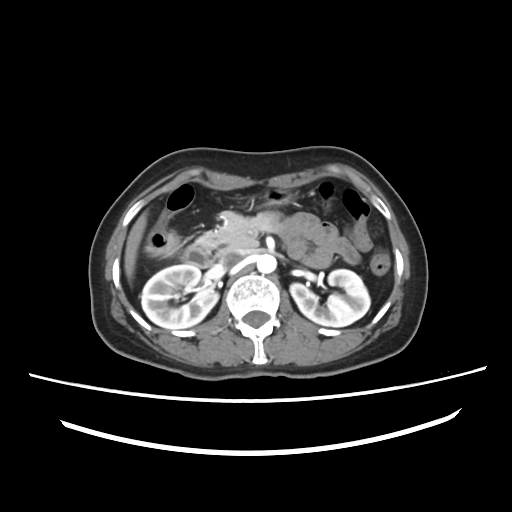

CT abdomen · axial view
{"organs":{"right kidney":[140,264,218,328],"left kidney":[290,269,370,326],"liver":[124,211,147,280],"stomach":[265,188,296,205],"aorta":[257,254,276,273],"inferior vena cava":[219,251,244,268],"pancreas":[196,211,278,252],"duodenum":[180,243,220,267]}}